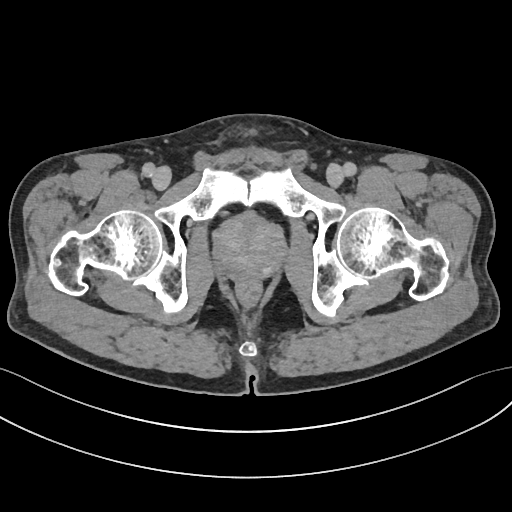

CT abdomen. axial plane, index 32. SOMATOM Force scanner. scan has 15 labeled organs (that count is for the whole scan; organs this slice misses have no box)
Boxes are (x1, y1, x2, y2) in pixels.
Organ bounding boxes:
- prostate/uterus: (213, 211, 286, 280)